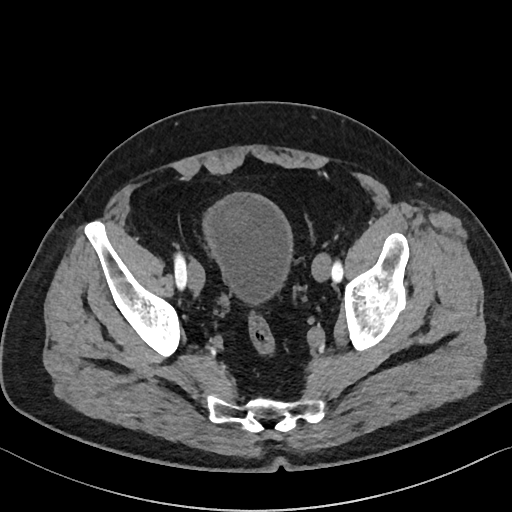 CT, abdomen/pelvis — Axial slice 45/245 — abdomen soft-tissue window — 512x512 px — acquired on SOMATOM Force
Bounding boxes as [x1, y1, x2, y2] in pixel coordinates.
Organ bounding boxes:
- bladder: [201, 193, 294, 305]